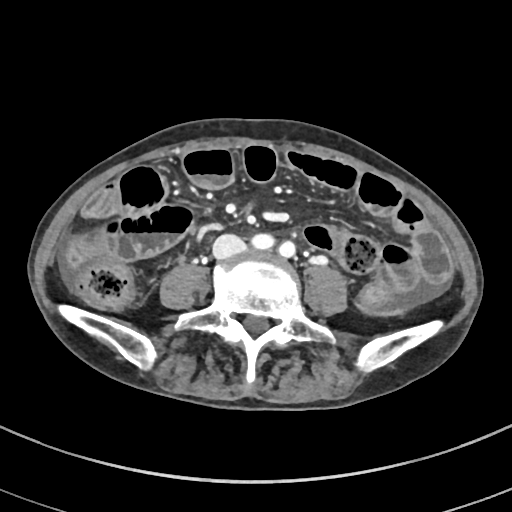
Computed tomography, abdomen — axial view
Each box given as x1,y1,x2,y2.
Organ bounding boxes:
- inferior vena cava: x1=214, y1=235, x2=243, y2=256